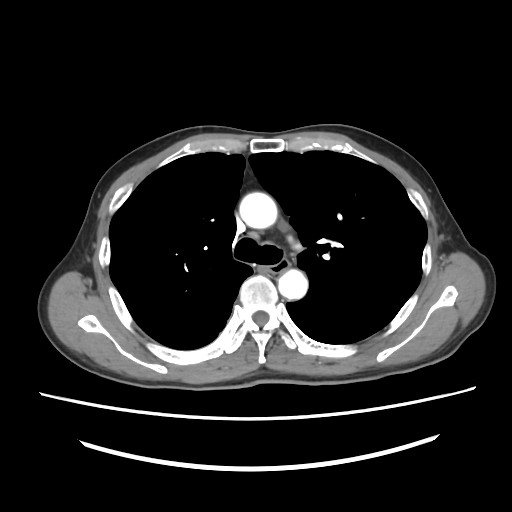

CT of the abdomen extending into the chest, slice through the chest. axial view. 65-year-old male patient. scan has 15 labeled organs (counted over the whole 3D scan, not this slice; an organ is boxed only where this slice passes through it)
At this level of the chest this dataset labels only the esophagus and the aorta, and each is boxed only where it is labeled; the heart and lungs are never labeled.
Box edges are left/top/right/bottom in pixels.
aorta: left=239, top=192, right=277, bottom=228
aorta: left=278, top=269, right=307, bottom=299
esophagus: left=268, top=260, right=288, bottom=272